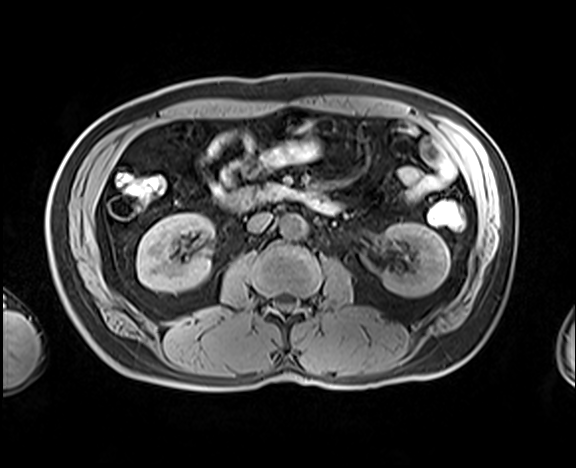 Abdominal MRI. axial view. 1st–99th percentile window. 576x468 px
<organs><organ name="right kidney" x1="136" y1="213" x2="214" y2="292"/><organ name="left kidney" x1="378" y1="222" x2="450" y2="297"/><organ name="aorta" x1="280" y1="214" x2="307" y2="239"/><organ name="inferior vena cava" x1="247" y1="212" x2="272" y2="232"/><organ name="duodenum" x1="228" y1="183" x2="343" y2="213"/></organs>